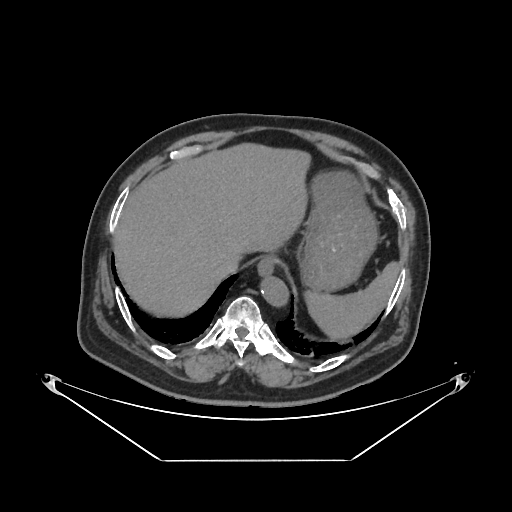 CT abdomen; axial view; 512x512 px
<organs><organ name="aorta" x1="259" y1="274" x2="287" y2="304"/><organ name="spleen" x1="306" y1="263" x2="400" y2="340"/><organ name="inferior vena cava" x1="219" y1="255" x2="240" y2="274"/><organ name="stomach" x1="273" y1="170" x2="377" y2="292"/><organ name="liver" x1="112" y1="144" x2="308" y2="318"/><organ name="esophagus" x1="258" y1="254" x2="276" y2="274"/></organs>